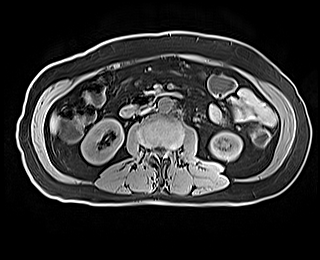
Abdominal MRI · axial view · percentile-normalized · Prisma scanner · 13 organs annotated in this scan (counted over the whole 3D scan, not this slice; an organ is boxed only where this slice passes through it)
{"organs":{"right kidney":[81,119,123,164],"left kidney":[210,131,242,160],"liver":[50,115,58,133],"aorta":[158,97,173,111],"inferior vena cava":[140,107,151,114],"duodenum":[120,93,182,116]}}